CT, abdomen/pelvis — Axial slice 27/222 — 512x512 px
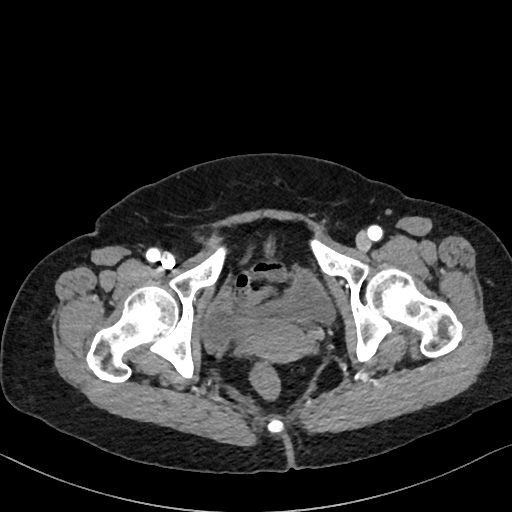
Box edges are left/top/right/bottom in pixels. The annotated organs in this slice are: bladder at left=201, top=270, right=334, bottom=350, prostate/uterus at left=247, top=324, right=311, bottom=361.